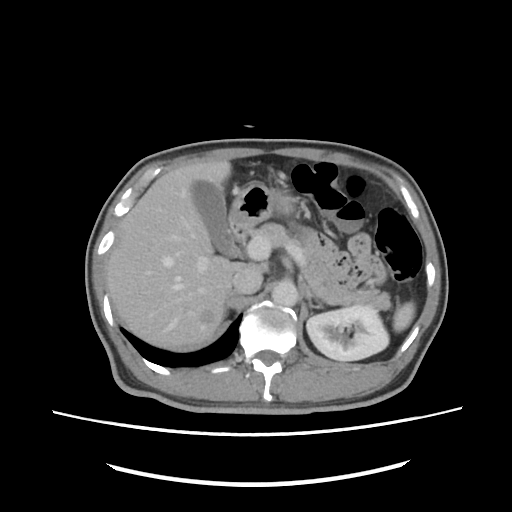 CT, abdomen/pelvis — axial plane, index 70 — 512x512 px
Boxes are (x1, y1, x2, y2) in pixels. The annotated organs in this slice are: spleen at (393, 302, 415, 332), left kidney at (306, 306, 389, 360), gall bladder at (191, 180, 234, 256), liver at (107, 160, 240, 349), stomach at (228, 183, 299, 230), aorta at (271, 279, 297, 306), inferior vena cava at (232, 265, 262, 293), pancreas at (250, 223, 391, 310), right adrenal gland at (224, 292, 235, 317), left adrenal gland at (306, 287, 323, 308), duodenum at (232, 228, 245, 255).